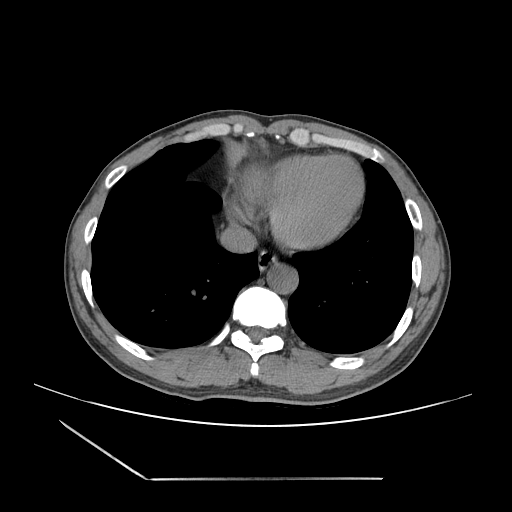 Abdominal CT — axial view
{"organs":{"aorta":[266,263,298,293],"inferior vena cava":[219,226,255,252],"liver":[243,172,268,192],"esophagus":[258,249,277,269]}}